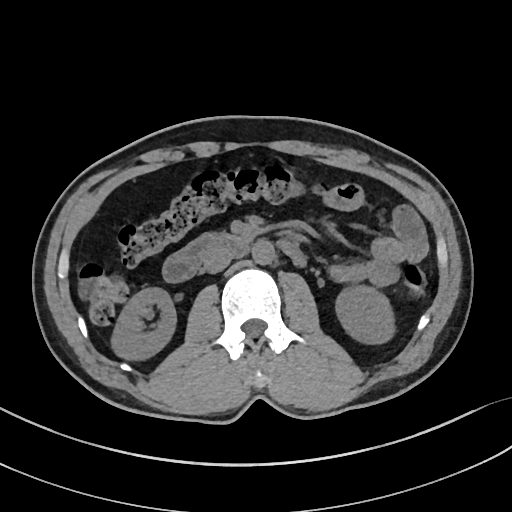 CT abdomen · axial plane, index 145 · SOMATOM Force scanner
{"organs":{"right kidney":[109,287,176,361],"aorta":[252,241,275,265],"left kidney":[334,284,394,345],"duodenum":[161,231,306,282],"inferior vena cava":[202,248,233,274]}}